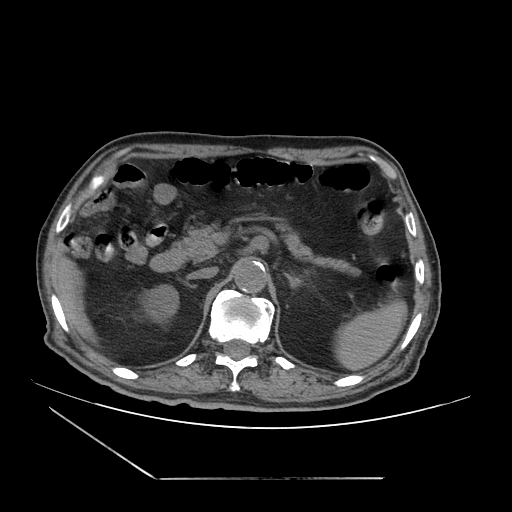

Computed tomography, abdomen; axial view; scan has 15 labeled organs (counted over the whole 3D scan, not this slice; an organ is boxed only where this slice passes through it)
One row per box, in pixels: columns x1 and y1 give the top-left corner, x2 and y2 the bottom-right.
| organ | x1 | y1 | x2 | y2 |
|---|---|---|---|---|
| left adrenal gland | 284 | 272 | 302 | 288 |
| spleen | 335 | 299 | 407 | 370 |
| right adrenal gland | 184 | 282 | 196 | 288 |
| pancreas | 173 | 218 | 360 | 274 |
| inferior vena cava | 187 | 267 | 217 | 279 |
| aorta | 234 | 258 | 266 | 292 |
| duodenum | 150 | 249 | 184 | 271 |
| right kidney | 143 | 285 | 178 | 319 |
| liver | 55 | 258 | 94 | 340 |